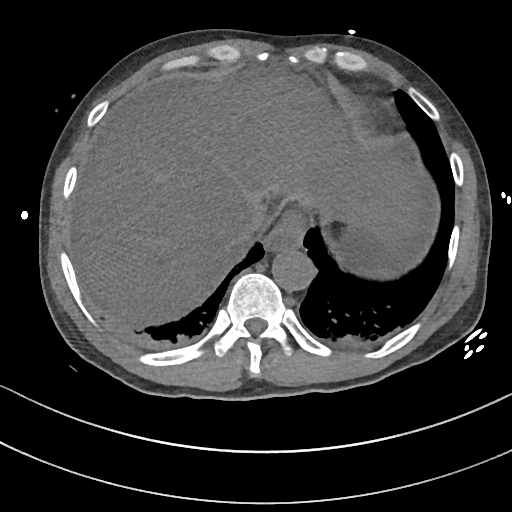
Abdominal CT; Axial slice 214/252; 512x512 px
Coordinates as <box>x1,y1,x2,y2</box> in pixels.
Organ bounding boxes:
- esophagus: <box>264,210,306,253</box>
- liver: <box>74,73,418,315</box>
- spleen: <box>364,269,394,278</box>
- aorta: <box>272,249,315,291</box>
- stomach: <box>333,219,413,271</box>
- inferior vena cava: <box>234,211,269,242</box>